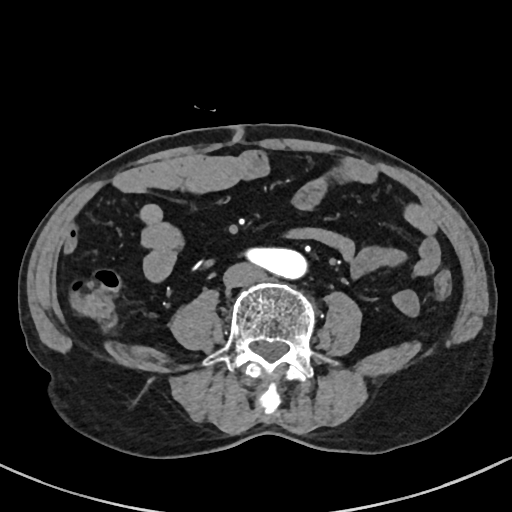

CT, abdomen/pelvis · axial view · 512x512 px · scan has 15 labeled organs (a whole-scan count: organs this slice does not pass through have no box)
Box edges are left/top/right/bottom in pixels. The annotated organs in this slice are: aorta at left=245, top=248, right=306, bottom=279, inferior vena cava at left=223, top=262, right=264, bottom=287.